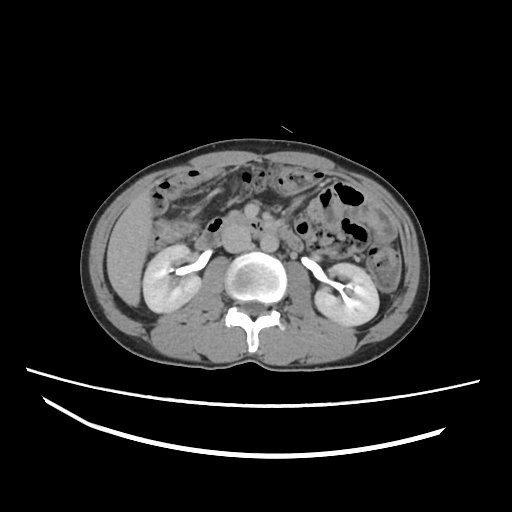 Abdominal CT · axial plane, index 66 · 40-year-old male patient · Aquilion ONE scanner
Coordinates as <box>x1,y1,x2,y2</box> in pixels.
liver: <box>107,186,151,306</box>
aorta: <box>260,234,279,251</box>
inferior vena cava: <box>220,225,250,253</box>
left kidney: <box>314,263,378,325</box>
right kidney: <box>143,244,200,312</box>
pancreas: <box>227,211,242,218</box>
duodenum: <box>195,216,303,252</box>